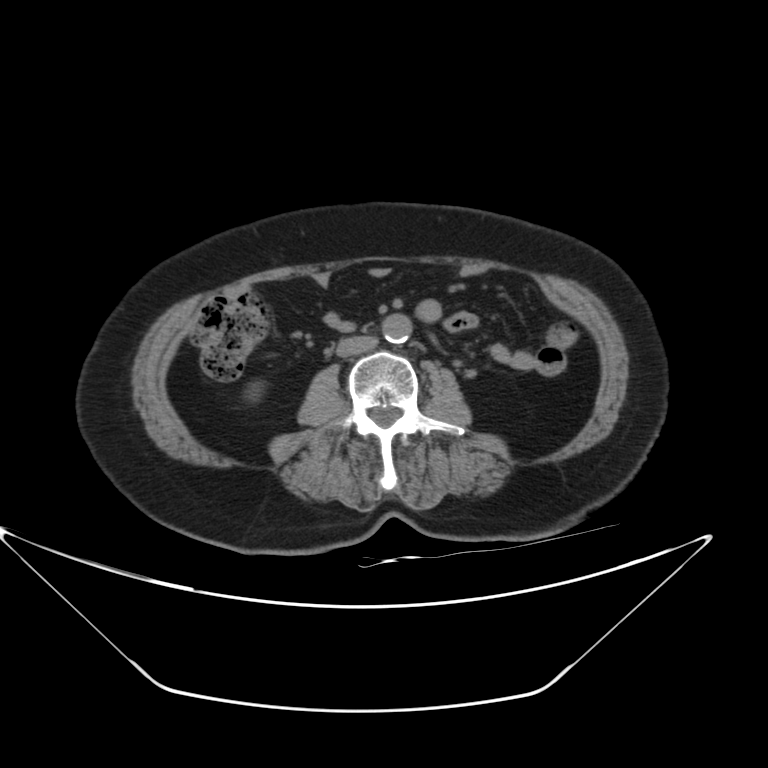

Computed tomography, abdomen · axial plane, index 50 · 15 organs annotated in this scan (counted over the whole 3D scan, not this slice; an organ is boxed only where this slice passes through it)
<organs><organ name="right kidney" x1="244" y1="381" x2="264" y2="402"/><organ name="aorta" x1="381" y1="313" x2="411" y2="343"/><organ name="inferior vena cava" x1="335" y1="335" x2="378" y2="356"/></organs>